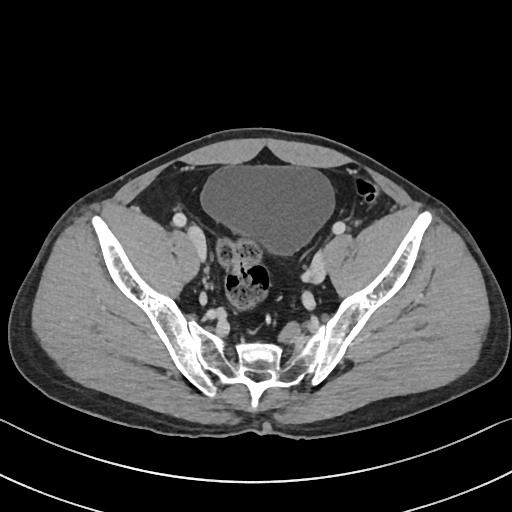

Computed tomography, abdomen; Axial slice 49/291; 512x512 px; 15 organs annotated in this scan (counted over the whole 3D scan, not this slice; an organ is boxed only where this slice passes through it)
<organs><organ name="bladder" x1="201" y1="165" x2="334" y2="254"/></organs>